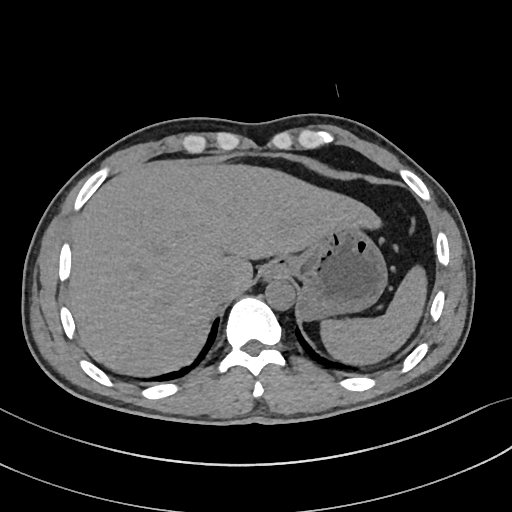 Abdominal CT. axial view. 512x512 px. acquired on SOMATOM Force. scan has 15 labeled organs (a whole-scan count: organs this slice does not pass through have no box)
Box edges are left/top/right/bottom in pixels. The annotated organs in this slice are: liver at left=69, top=161, right=382, bottom=374, aorta at left=266, top=280, right=295, bottom=310, spleen at left=319, top=267, right=424, bottom=363, esophagus at left=263, top=264, right=280, bottom=280, inferior vena cava at left=205, top=272, right=234, bottom=303, stomach at left=270, top=228, right=387, bottom=320.